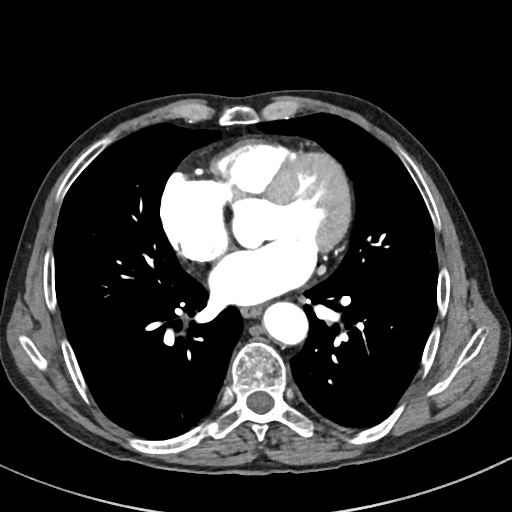

Lower-chest slice from an abdominal CT, just above the liver and spleen · axial view
No part of the heart or lungs is labeled in this dataset, so neither has a box here.
{"organs":{"aorta":[263,302,308,345],"esophagus":[241,307,261,317]}}